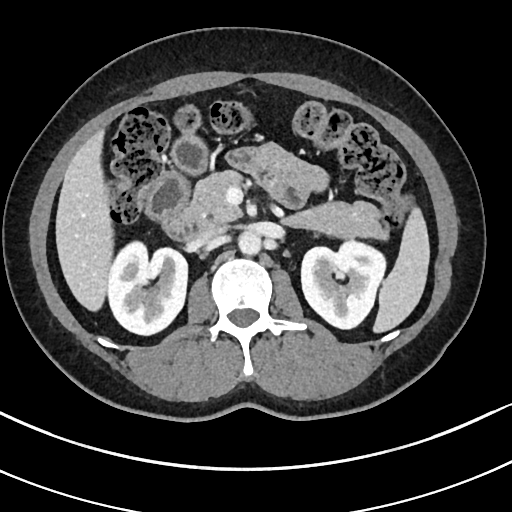
CT abdomen; axial plane, index 140; soft-tissue window (W 400 / L 40); 512x512 px
Bounding boxes in pixels, one row per box: x1, y1 is the top-left corner and x2, y2 the bottom-right.
| organ | x1 | y1 | x2 | y2 |
|---|---|---|---|---|
| left kidney | 301 | 238 | 386 | 328 |
| aorta | 237 | 230 | 260 | 253 |
| inferior vena cava | 191 | 223 | 226 | 239 |
| right kidney | 106 | 243 | 186 | 334 |
| pancreas | 186 | 172 | 384 | 236 |
| liver | 55 | 130 | 114 | 308 |
| duodenum | 145 | 173 | 201 | 239 |
| stomach | 172 | 134 | 207 | 174 |
| spleen | 374 | 207 | 428 | 331 |